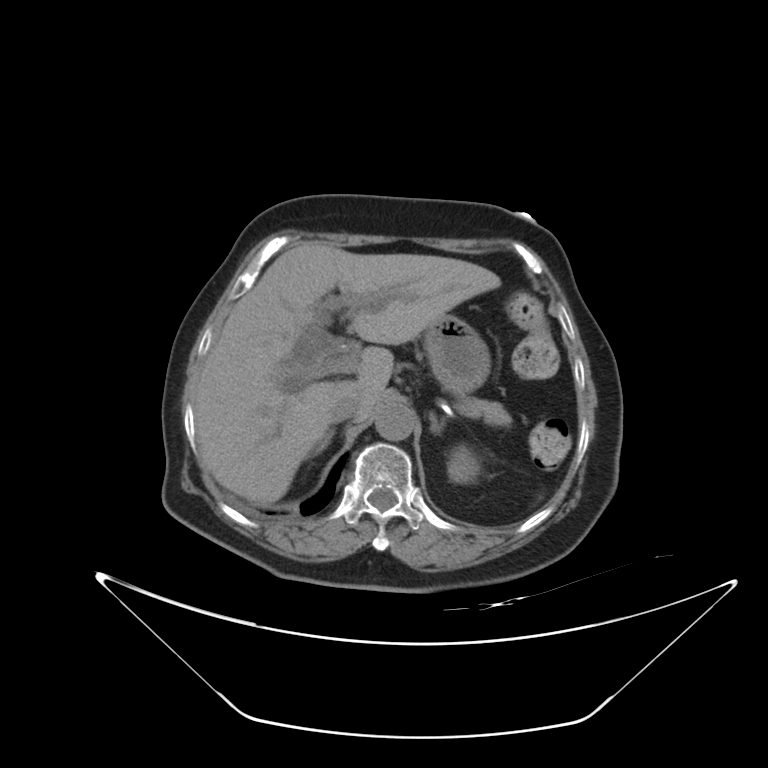 Computed tomography, abdomen; axial plane, index 69; 768x768 px; 78-year-old female patient
<organs><organ name="aorta" x1="376" y1="402" x2="414" y2="441"/><organ name="right adrenal gland" x1="313" y1="429" x2="335" y2="455"/><organ name="inferior vena cava" x1="329" y1="395" x2="363" y2="422"/><organ name="left adrenal gland" x1="429" y1="412" x2="444" y2="434"/><organ name="pancreas" x1="456" y1="396" x2="512" y2="425"/><organ name="left kidney" x1="448" y1="445" x2="481" y2="483"/><organ name="liver" x1="193" y1="242" x2="500" y2="506"/><organ name="stomach" x1="423" y1="314" x2="490" y2="395"/></organs>